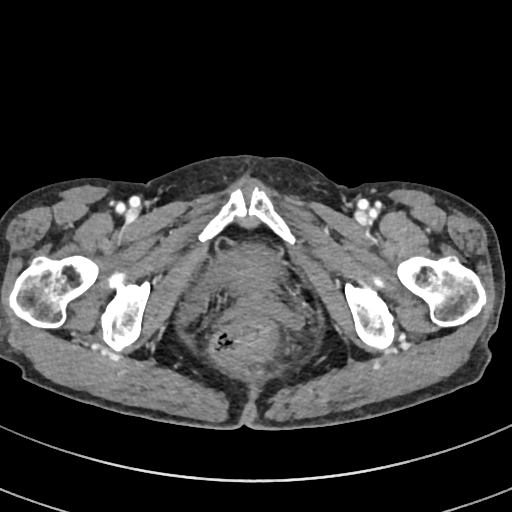 Computed tomography, abdomen; axial view
Boxes: x1 y1 x2 y2 (pixel coords, space-separated).
Organ bounding boxes:
- bladder: 179 243 281 321